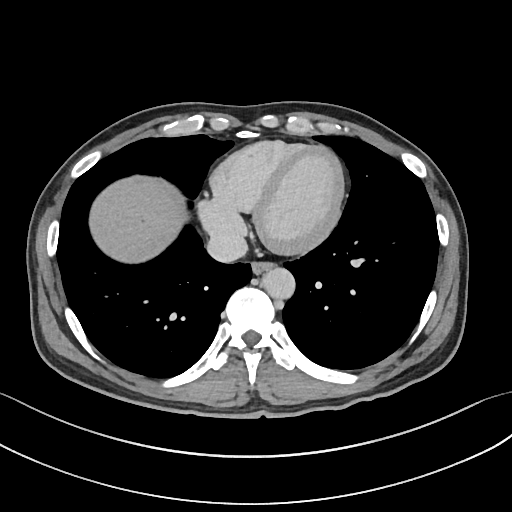 CT, abdomen/pelvis. axial view. 14 organs annotated in this scan (that count is for the whole scan; organs this slice misses have no box)
<organs><organ name="aorta" x1="262" y1="267" x2="296" y2="299"/><organ name="esophagus" x1="251" y1="263" x2="273" y2="275"/><organ name="liver" x1="88" y1="174" x2="184" y2="261"/><organ name="inferior vena cava" x1="207" y1="231" x2="247" y2="261"/></organs>